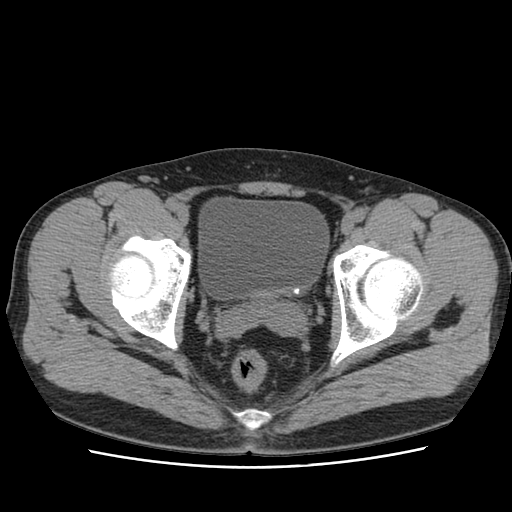

CT abdomen — axial view — 512x512 px
One row per box, in pixels: columns x1 and y1 give the top-left corner, x2 and y2 the bottom-right.
| organ | x1 | y1 | x2 | y2 |
|---|---|---|---|---|
| bladder | 198 | 197 | 329 | 299 |